CT, abdomen/pelvis — axial view — soft-tissue window (W 400 / L 40)
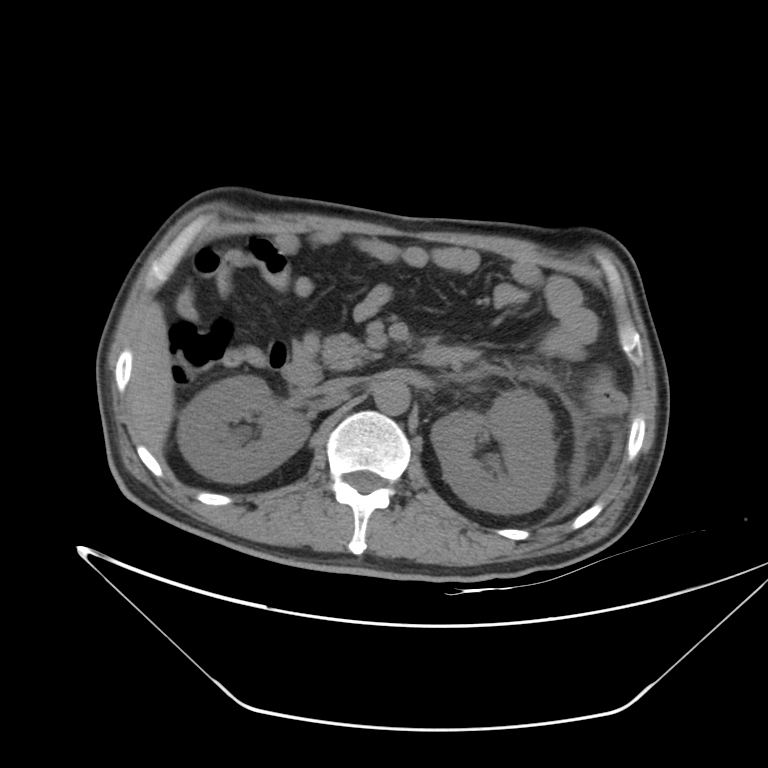
One row per box, in pixels: columns x1 and y1 give the top-left corner, x2 and y2 the bottom-right.
| organ | x1 | y1 | x2 | y2 |
|---|---|---|---|---|
| right kidney | 177 | 375 | 309 | 483 |
| left kidney | 430 | 390 | 555 | 514 |
| liver | 127 | 300 | 173 | 456 |
| aorta | 374 | 381 | 410 | 414 |
| inferior vena cava | 319 | 377 | 358 | 393 |
| pancreas | 323 | 334 | 372 | 369 |
| duodenum | 280 | 347 | 456 | 386 |